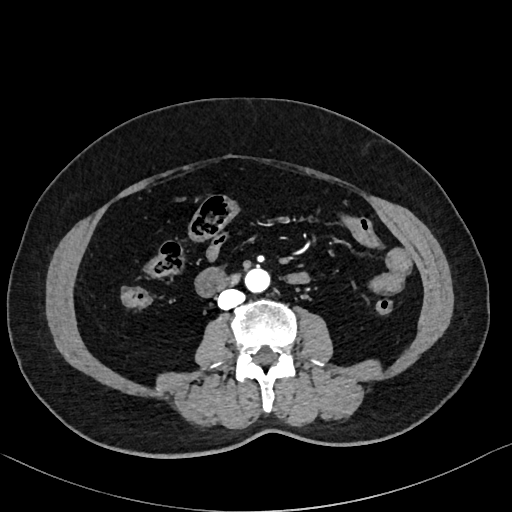
CT, abdomen/pelvis · Axial slice 116/222 · W/L 400/40 HU · scan has 15 labeled organs (counted over the whole 3D scan, not this slice; an organ is boxed only where this slice passes through it)
Boxes: x1 y1 x2 y2 (pixel coords, space-separated). The annotated organs in this slice are: aorta at 245 268 269 292, inferior vena cava at 217 289 244 309, duodenum at 228 275 239 283.